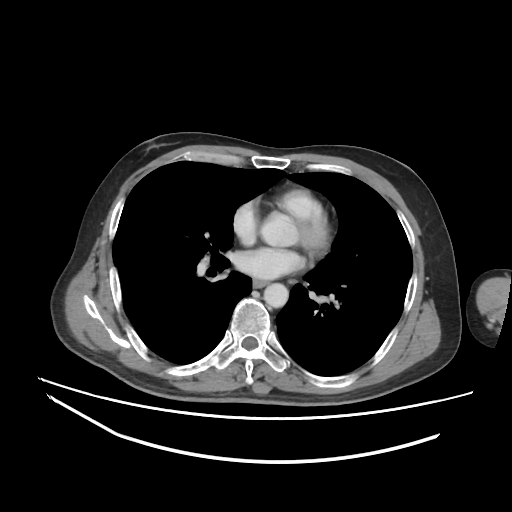

Abdominal CT reaching into the chest; this slice is in the chest · Axial slice 95/128 · 512x512 px · 54-year-old male patient · scan has 15 labeled organs (that count is for the whole scan; organs this slice misses have no box)
At this level of the chest no structure but the esophagus and the aorta has a label in this dataset, and those two are boxed only where they are labeled.
Organ boxes in pixel coordinates; each row gives the top-left (x1, y1) and bottom-right (x2, y2) corners.
| organ | x1 | y1 | x2 | y2 |
|---|---|---|---|---|
| esophagus | 252 | 279 | 267 | 287 |
| aorta | 263 | 283 | 288 | 307 |